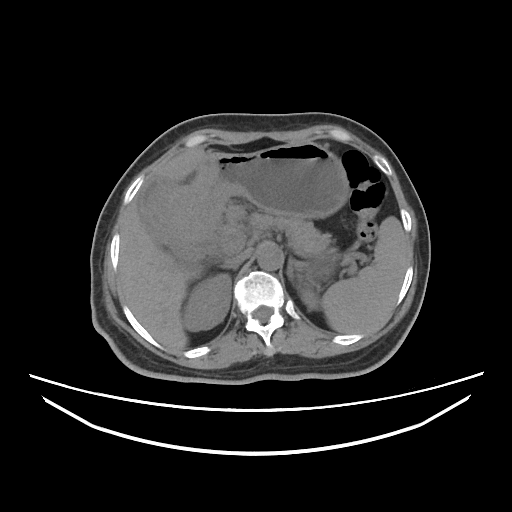 Computed tomography, abdomen · axial view · soft-tissue window
<organs><organ name="spleen" x1="321" y1="216" x2="409" y2="334"/><organ name="right kidney" x1="182" y1="273" x2="231" y2="331"/><organ name="left kidney" x1="301" y1="290" x2="318" y2="309"/><organ name="gall bladder" x1="138" y1="177" x2="176" y2="246"/><organ name="liver" x1="118" y1="147" x2="206" y2="350"/><organ name="stomach" x1="150" y1="142" x2="350" y2="280"/><organ name="aorta" x1="257" y1="242" x2="282" y2="270"/><organ name="inferior vena cava" x1="224" y1="248" x2="252" y2="265"/><organ name="pancreas" x1="249" y1="213" x2="335" y2="255"/><organ name="right adrenal gland" x1="221" y1="265" x2="239" y2="270"/><organ name="left adrenal gland" x1="286" y1="257" x2="295" y2="281"/><organ name="duodenum" x1="185" y1="245" x2="201" y2="254"/></organs>